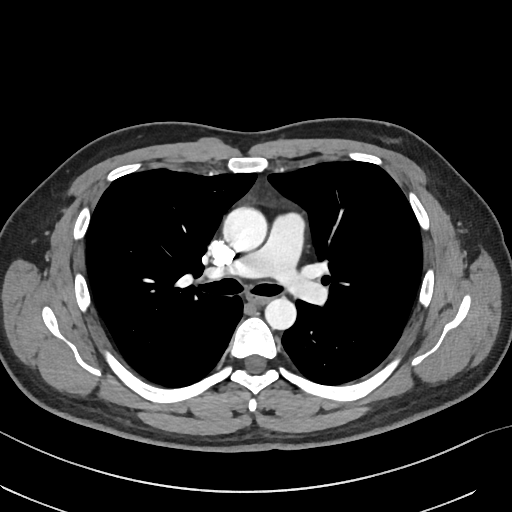

CT of the abdomen extending into the chest, slice through the chest. axial view. 512x512 px
On a slice this high in the chest, this dataset labels only the esophagus and the aorta, and each is boxed only where it is labeled; the heart, lungs and other chest structures are not labeled. Boxes: x1:y1:x2:y2 in pixels. 2 labeled organs on this slice — esophagus at 249:295:269:304; aorta at 223:207:267:251; aorta at 265:297:296:329.